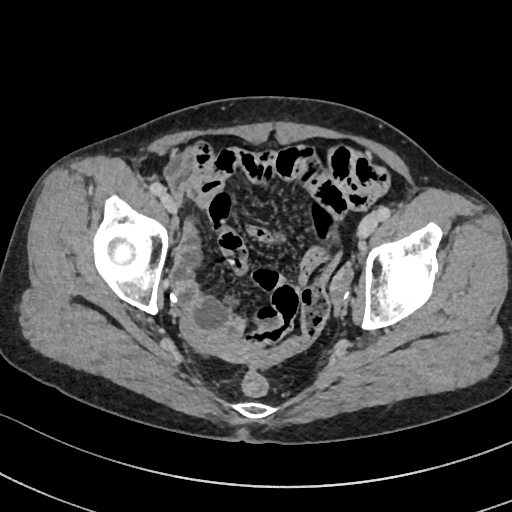
Abdominal CT. axial view. soft-tissue window (W 400 / L 40). acquired on SOMATOM Force
Organ boxes in pixel coordinates; each row gives the top-left (x1, y1) and bottom-right (x2, y2) corners.
| organ | x1 | y1 | x2 | y2 |
|---|---|---|---|---|
| prostate/uterus | 204 | 333 | 259 | 362 |